CT abdomen. Axial slice 58/101. soft-tissue window (W 400 / L 40)
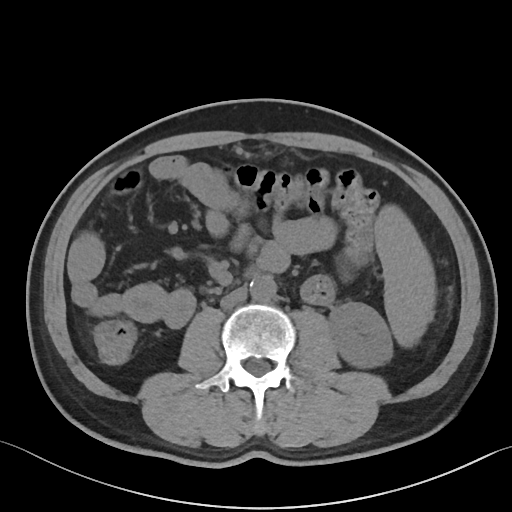 Box edges are left/top/right/bottom in pixels.
Organ bounding boxes:
- spleen: left=374, top=205, right=435, bottom=347
- left kidney: left=329, top=302, right=392, bottom=367
- aorta: left=250, top=275, right=276, bottom=302
- inferior vena cava: left=220, top=287, right=247, bottom=309
- duodenum: left=245, top=266, right=257, bottom=277